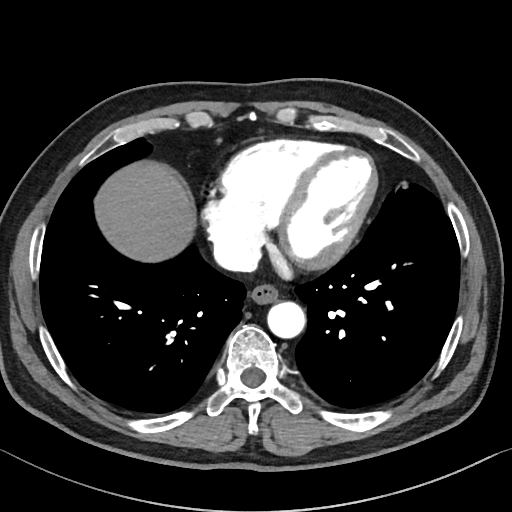 CT, abdomen/pelvis. Axial slice 207/245. 512x512 px. acquired on SOMATOM Force
Coordinates as <box>x1,y1,x2,y2</box> in pixels.
Organ bounding boxes:
- esophagus: <box>249,284,278,303</box>
- liver: <box>94,160,195,262</box>
- aorta: <box>267,301,305,338</box>
- inferior vena cava: <box>213,240,260,271</box>